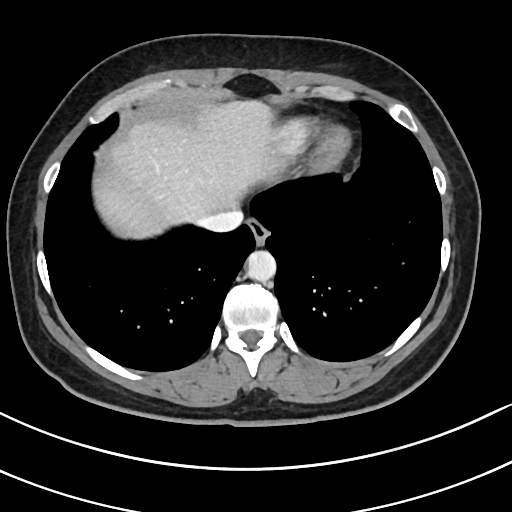 Abdominal CT; axial view; acquired on SOMATOM Force; scan has 15 labeled organs (that count is for the whole scan; organs this slice misses have no box)
Bounding boxes as [x1, y1, x2, y2] in pixel coordinates. The annotated organs in this slice are: esophagus at [246, 218, 268, 244], liver at [93, 99, 280, 239], aorta at [246, 250, 275, 280], inferior vena cava at [197, 210, 242, 232].